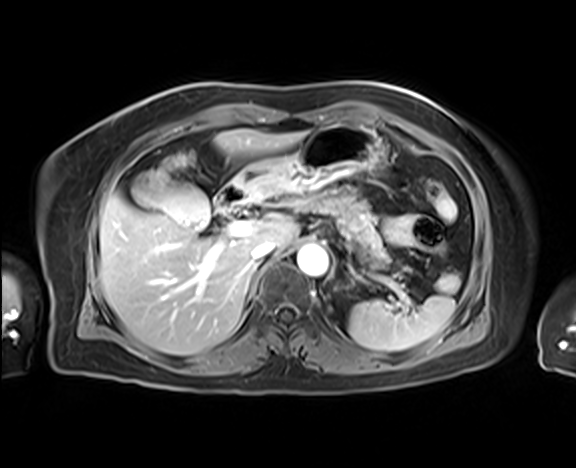
Abdominal MRI · axial view · 1st–99th percentile window
Each box given as x1,y1,x2,y2.
Organ bounding boxes:
- spleen: x1=348, y1=295, x2=455, y2=351
- gall bladder: x1=132, y1=173, x2=209, y2=231
- liver: x1=99, y1=129, x2=304, y2=355
- stomach: x1=232, y1=123, x2=385, y2=200
- aorta: x1=296, y1=245, x2=328, y2=276
- inferior vena cava: x1=252, y1=241, x2=276, y2=262
- pancreas: x1=281, y1=186, x2=413, y2=274
- right adrenal gland: x1=242, y1=261, x2=262, y2=295
- duodenum: x1=217, y1=180, x2=249, y2=209